Computed tomography, abdomen · Axial slice 23/192 · scan has 15 labeled organs (that count is for the whole scan; organs this slice misses have no box)
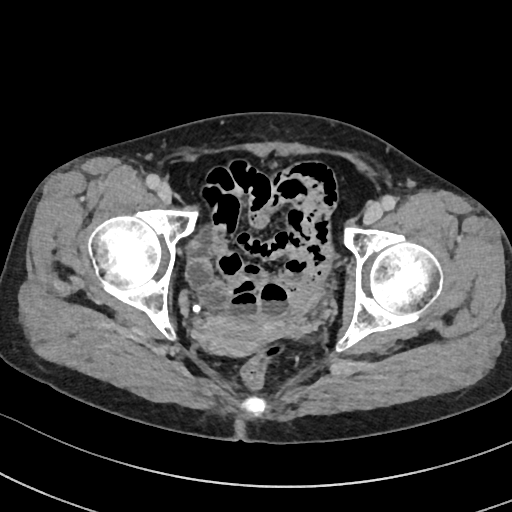
{"organs":{"prostate/uterus":[206,316,283,358]}}